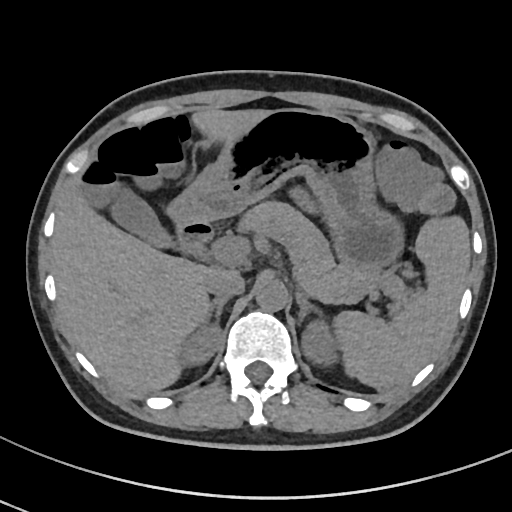 Computed tomography, abdomen. axial plane, index 173
Bounding boxes as [x1, y1, x2, y2] in pixel coordinates. 12 labeled organs on this slice — spleen at [333, 217, 471, 388]; right kidney at [182, 326, 219, 363]; left kidney at [301, 321, 335, 363]; gall bladder at [83, 182, 177, 248]; liver at [52, 108, 270, 392]; stomach at [168, 108, 400, 272]; aorta at [255, 279, 287, 311]; inferior vena cava at [209, 270, 244, 297]; pancreas at [239, 203, 378, 301]; right adrenal gland at [200, 296, 231, 328]; left adrenal gland at [296, 293, 323, 327]; duodenum at [173, 219, 212, 254].